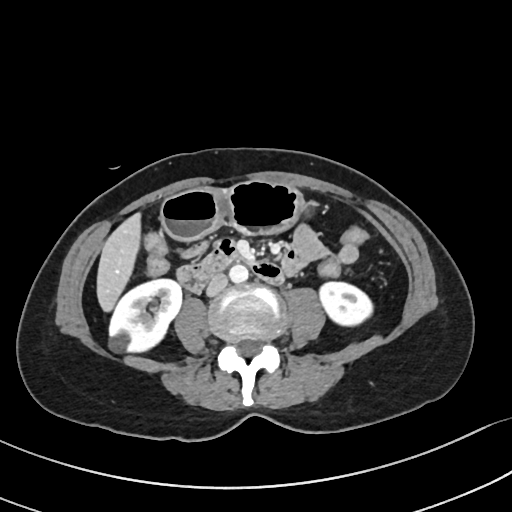 Abdominal CT; axial view
{"organs":{"right kidney":[109,279,181,351],"left kidney":[319,282,372,325],"liver":[97,214,140,311],"stomach":[161,181,309,240],"aorta":[229,264,248,283],"inferior vena cava":[206,273,227,296],"duodenum":[176,239,283,293]}}